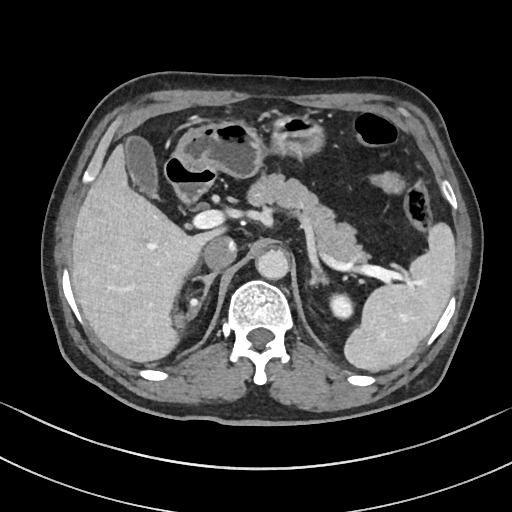 CT, abdomen/pelvis; Axial slice 177/221; soft-tissue window (W 400 / L 40); 512x512 px
<organs><organ name="spleen" x1="343" y1="221" x2="455" y2="371"/><organ name="left kidney" x1="328" y1="296" x2="353" y2="317"/><organ name="gall bladder" x1="125" y1="136" x2="159" y2="198"/><organ name="liver" x1="70" y1="143" x2="227" y2="362"/><organ name="stomach" x1="171" y1="115" x2="324" y2="179"/><organ name="aorta" x1="257" y1="250" x2="289" y2="280"/><organ name="inferior vena cava" x1="203" y1="237" x2="236" y2="269"/><organ name="pancreas" x1="248" y1="174" x2="367" y2="263"/><organ name="right adrenal gland" x1="193" y1="270" x2="219" y2="314"/><organ name="left adrenal gland" x1="310" y1="269" x2="328" y2="286"/><organ name="duodenum" x1="164" y1="156" x2="214" y2="202"/></organs>